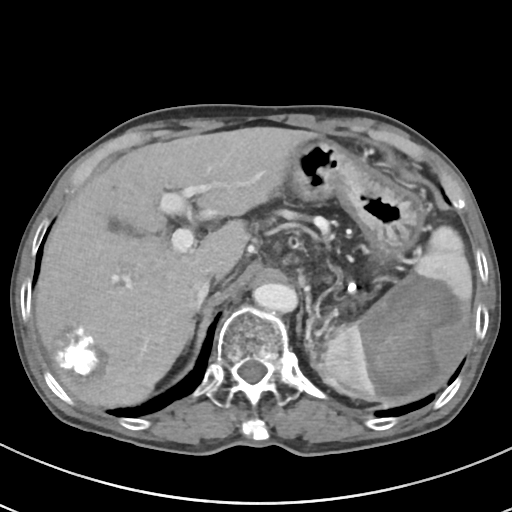 Abdominal CT — axial view — soft-tissue window (W 400 / L 40) — 512x512 px — acquired on SOMATOM Force
Bounding boxes as [x1, y1, x2, y2] in pixel coordinates. Labeled organs on this slice: gall bladder at [110, 221, 127, 230], aorta at [253, 282, 297, 313], liver at [34, 127, 314, 407], left adrenal gland at [304, 316, 313, 340], stomach at [288, 141, 425, 314], spleen at [319, 226, 472, 407], right adrenal gland at [187, 319, 196, 341], inferior vena cava at [190, 274, 212, 308].